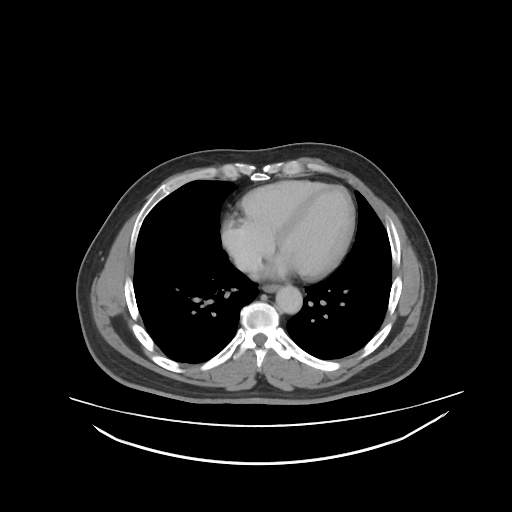
Abdominal CT; this slice is in the lower chest, just above the liver; axial view; W/L 400/40 HU; 45-year-old male patient
No part of the heart or lungs is labeled in this dataset, so neither has a box here.
<organs><organ name="esophagus" x1="262" y1="284" x2="278" y2="291"/><organ name="aorta" x1="275" y1="287" x2="301" y2="314"/><organ name="inferior vena cava" x1="233" y1="253" x2="261" y2="271"/></organs>